CT, abdomen/pelvis; axial view; W/L 400/40 HU
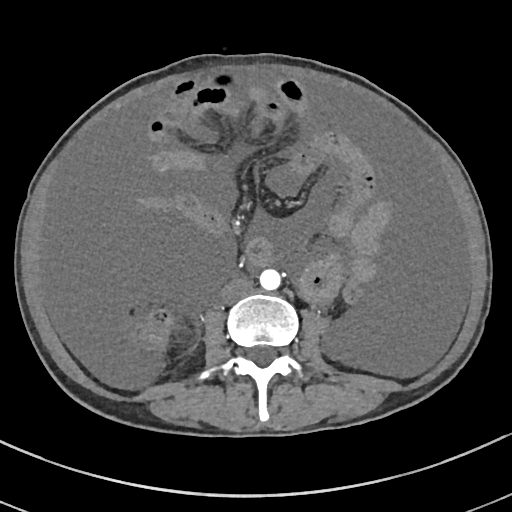
{"organs":{"aorta":[259,269,281,290],"inferior vena cava":[221,277,253,303]}}